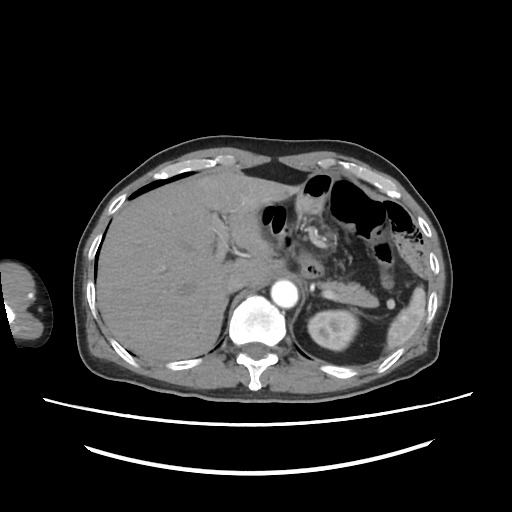 Computed tomography, abdomen. axial view. 512x512 px. 61-year-old male patient. 14 organs annotated in this scan (that count is for the whole scan; organs this slice misses have no box)
Boxes: x1 y1 x2 y2 (pixel coords, space-separated). The annotated organs in this slice are: spleen at 388 286 426 350, left kidney at 308 310 359 350, liver at 96 174 297 361, aorta at 271 280 297 307, inferior vena cava at 224 273 247 292, pancreas at 319 282 380 305, right adrenal gland at 228 299 229 302.